Computed tomography, abdomen. axial view. 15 organs annotated in this scan (counted over the whole 3D scan, not this slice; an organ is boxed only where this slice passes through it)
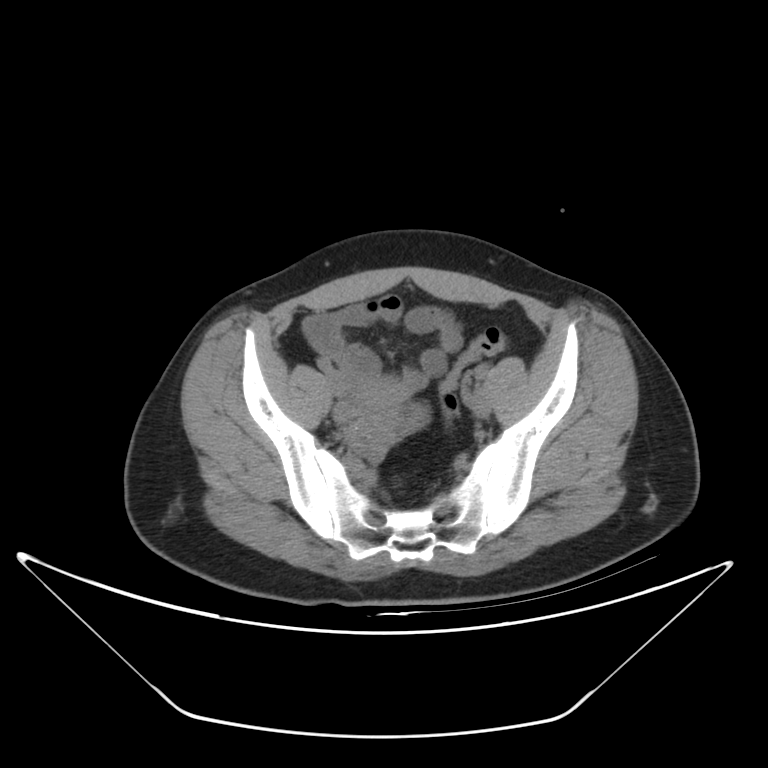 <organs><organ name="prostate/uterus" x1="356" y1="378" x2="405" y2="428"/></organs>